Abdominal CT; axial view; 15 organs annotated in this scan (a whole-scan count: organs this slice does not pass through have no box)
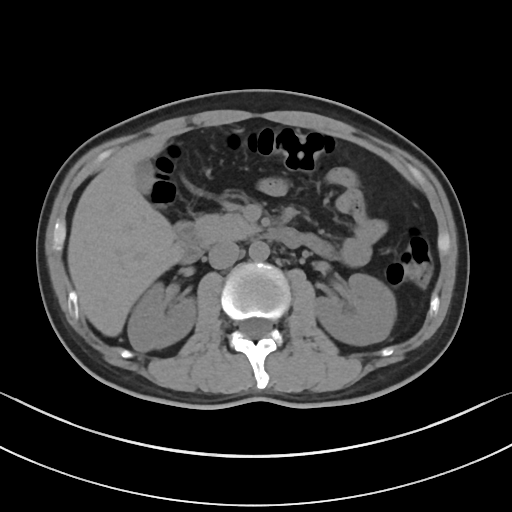
Boxes are (x1, y1, x2, y2) in pixels. The annotated organs in this slice are: right kidney at (127, 283, 196, 351), left kidney at (314, 274, 396, 345), gall bladder at (134, 159, 154, 194), liver at (67, 135, 178, 336), aorta at (249, 240, 269, 261), inferior vena cava at (208, 241, 239, 268), pancreas at (194, 213, 259, 244), duodenum at (173, 221, 303, 263).